Computed tomography, abdomen. axial view
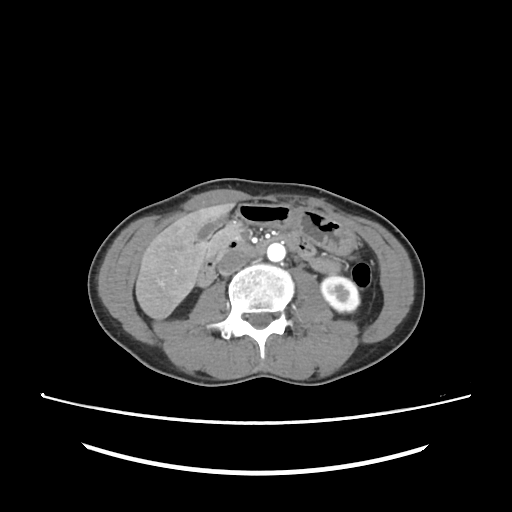
Bounding boxes in pixels, one row per box: x1, y1 is the top-left corner and x2, y2 the bottom-right.
| organ | x1 | y1 | x2 | y2 |
|---|---|---|---|---|
| gall bladder | 197 | 218 | 223 | 241 |
| liver | 135 | 203 | 233 | 319 |
| duodenum | 197 | 232 | 299 | 287 |
| aorta | 267 | 243 | 285 | 261 |
| stomach | 237 | 204 | 355 | 254 |
| left kidney | 321 | 276 | 359 | 311 |
| inferior vena cava | 218 | 252 | 247 | 275 |
| pancreas | 204 | 222 | 240 | 258 |